CT of the abdomen reaching into the lower chest, slice just above the liver and spleen — axial plane, index 80 — soft-tissue window — 15 organs annotated in this scan (that count is for the whole scan; organs this slice misses have no box)
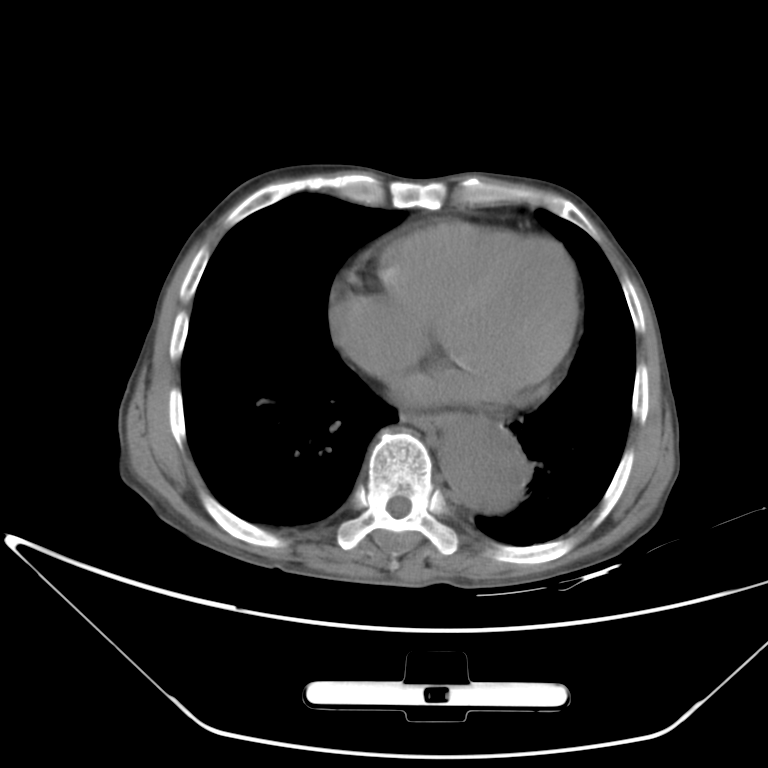 The heart and lungs are never labeled in this dataset, so they have no box on this slice.
<organs><organ name="esophagus" x1="404" y1="412" x2="454" y2="431"/><organ name="aorta" x1="440" y1="416" x2="523" y2="510"/></organs>